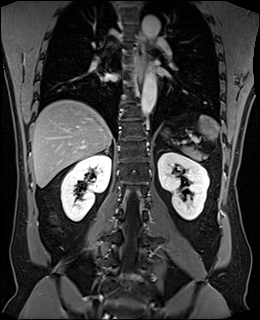 Abdominal MR · coronal plane, index 50 · 260x320 px · acquired on Prisma
<organs><organ name="spleen" x1="173" y1="115" x2="218" y2="148"/><organ name="esophagus" x1="132" y1="32" x2="145" y2="83"/><organ name="left kidney" x1="157" y1="152" x2="209" y2="220"/><organ name="liver" x1="32" y1="99" x2="112" y2="187"/><organ name="right adrenal gland" x1="106" y1="147" x2="109" y2="152"/><organ name="pancreas" x1="180" y1="146" x2="203" y2="159"/><organ name="right kidney" x1="61" y1="154" x2="110" y2="221"/><organ name="aorta" x1="140" y1="70" x2="156" y2="116"/><organ name="aorta" x1="142" y1="15" x2="159" y2="39"/></organs>